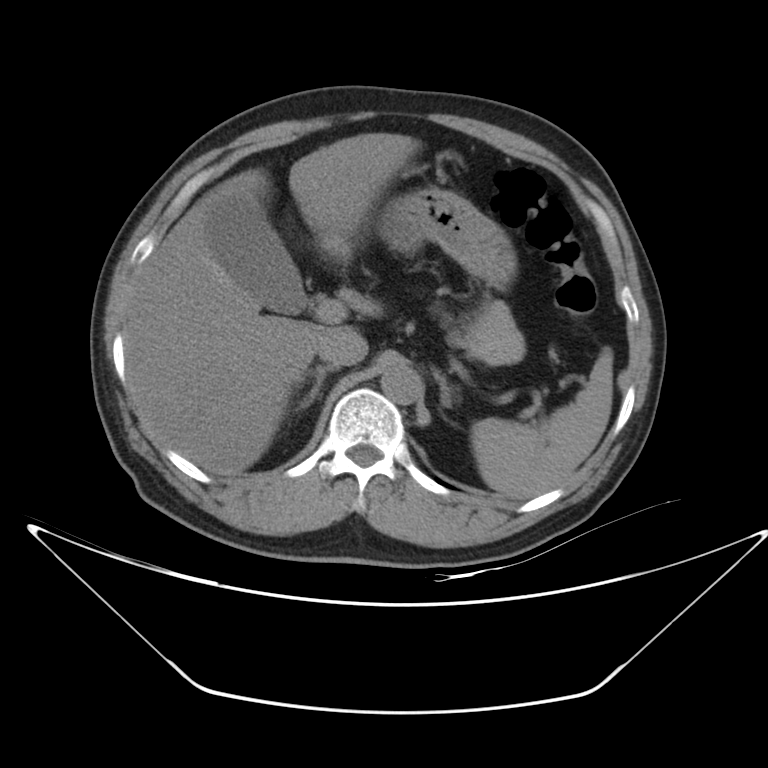

CT abdomen — Axial slice 75/87 — 768x768 px — 45-year-old male patient — acquired on Brilliance16
Each box given as x1,y1,x2,y2.
gall bladder: x1=207, y1=196, x2=305, y2=312
stomach: x1=381, y1=186, x2=517, y2=288
spleen: x1=472, y1=348, x2=613, y2=498
left adrenal gland: x1=434, y1=370, x2=453, y2=407
aorta: x1=380, y1=363, x2=422, y2=404
pancreas: x1=447, y1=299, x2=524, y2=365
inferior vena cava: x1=317, y1=327, x2=368, y2=366
liver: x1=124, y1=132, x2=419, y2=475
right adrenal gland: x1=295, y1=366, x2=336, y2=408